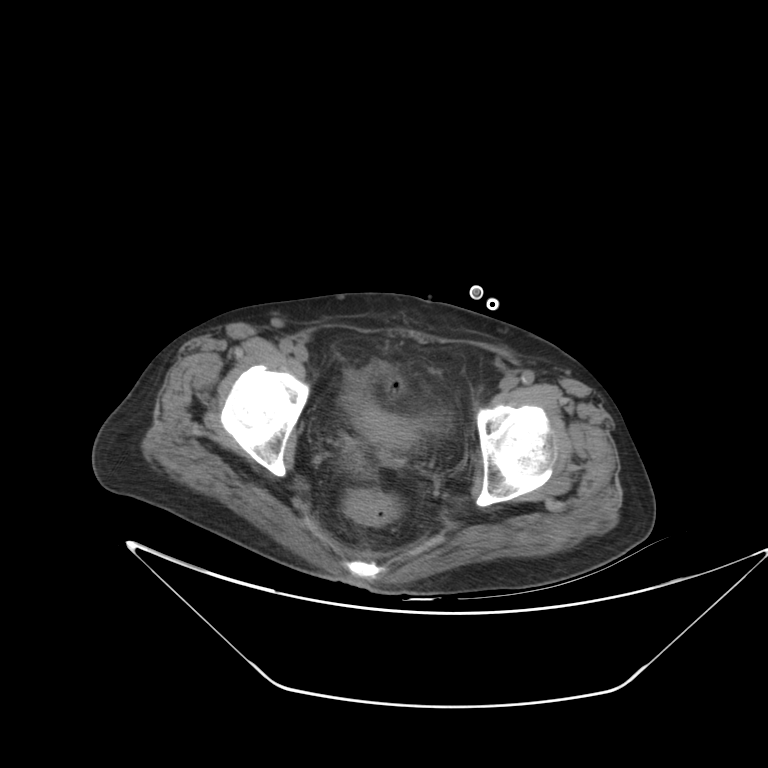

CT, abdomen/pelvis; axial view; W/L 400/40 HU; 80-year-old female patient
One row per box, in pixels: columns x1 and y1 give the top-left corner, x2 and y2 the bottom-right.
| organ | x1 | y1 | x2 | y2 |
|---|---|---|---|---|
| bladder | 347 | 386 | 441 | 430 |
| prostate/uterus | 367 | 419 | 411 | 443 |